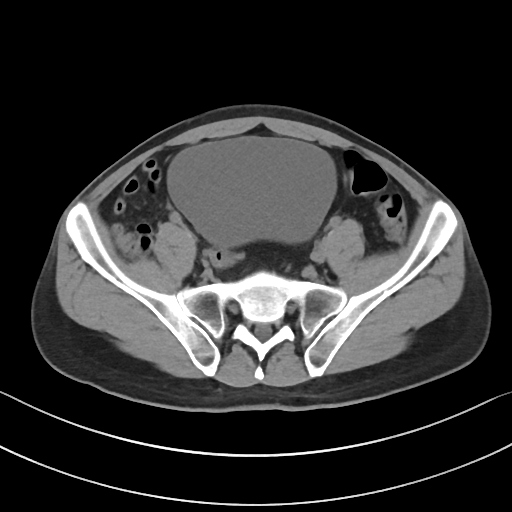 Computed tomography, abdomen; axial view; soft-tissue window (W 400 / L 40)
Each box given as x1,y1,x2,y2.
Organ bounding boxes:
- bladder: x1=168, y1=138, x2=335, y2=243